CT abdomen; axial view; soft-tissue window (W 400 / L 40); 768x768 px; 53-year-old male patient; scan has 15 labeled organs (counted over the whole 3D scan, not this slice; an organ is boxed only where this slice passes through it)
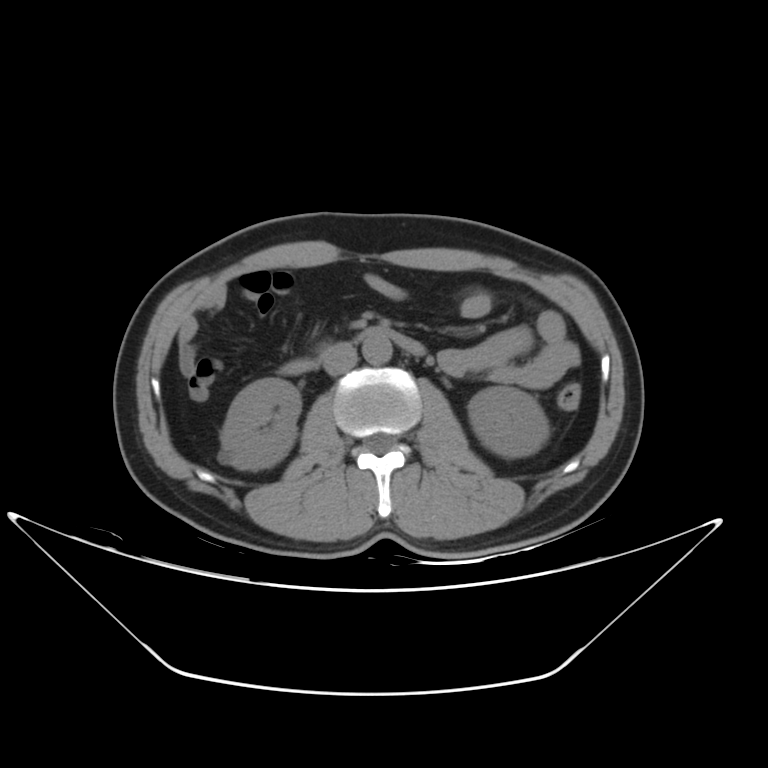
<organs><organ name="duodenum" x1="279" y1="325" x2="425" y2="376"/><organ name="aorta" x1="362" y1="333" x2="392" y2="364"/><organ name="inferior vena cava" x1="321" y1="342" x2="356" y2="374"/><organ name="left kidney" x1="467" y1="385" x2="546" y2="457"/><organ name="right kidney" x1="219" y1="377" x2="300" y2="469"/></organs>